CT abdomen · axial view · soft-tissue window · SOMATOM Force scanner
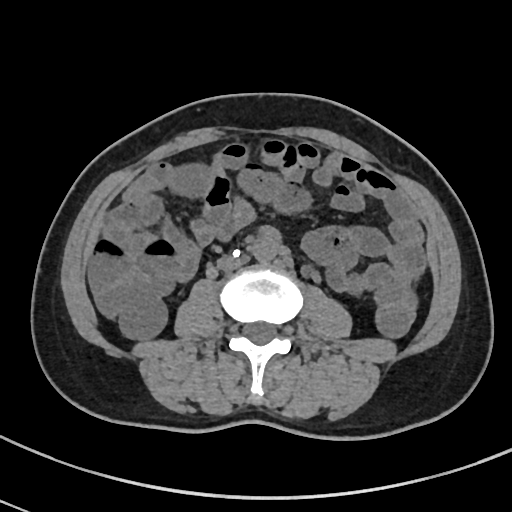
Boxes: x1 y1 x2 y2 (pixel coords, space-separated). 2 labeled organs on this slice — aorta at 251 233 278 261; inferior vena cava at 218 255 249 271.